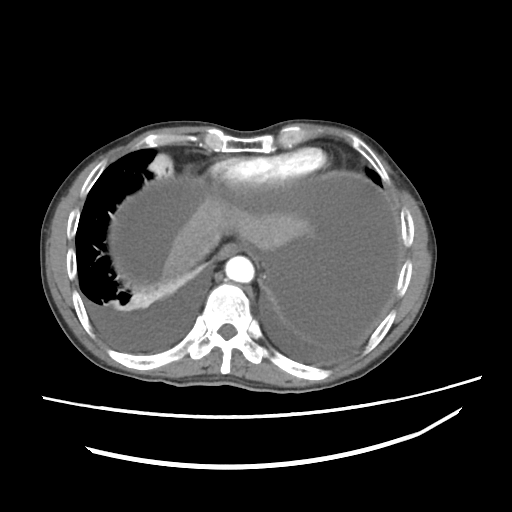

Computed tomography, abdomen — Axial slice 94/103 — W/L 400/40 HU — 512x512 px
<organs><organ name="aorta" x1="226" y1="255" x2="254" y2="283"/><organ name="inferior vena cava" x1="191" y1="234" x2="220" y2="262"/><organ name="esophagus" x1="218" y1="242" x2="240" y2="260"/><organ name="liver" x1="158" y1="200" x2="316" y2="282"/></organs>